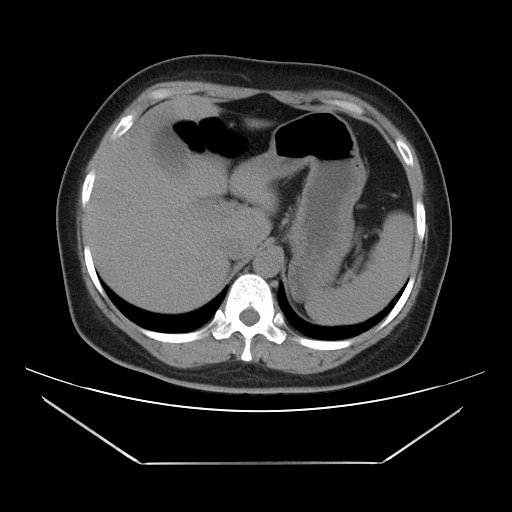 CT abdomen · axial plane, index 76 · W/L 400/40 HU
Boxes: x1 y1 x2 y2 (pixel coords, space-separated).
spleen: 305 212 413 325
gall bladder: 153 126 186 169
liver: 87 97 278 313
stomach: 240 111 366 299
aorta: 252 250 281 277
inferior vena cava: 221 237 252 260